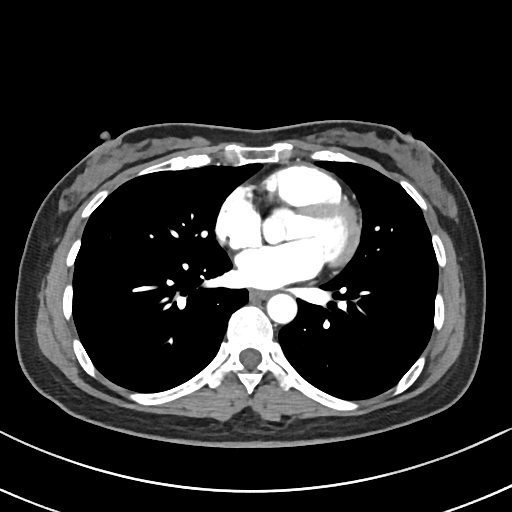
CT of the abdomen reaching into the lower chest, slice just above the liver and spleen; axial view
The heart and lungs are never labeled in this dataset, so they have no box on this slice.
One row per box, in pixels: columns x1 and y1 give the top-left corner, x2 and y2 the bottom-right.
| organ | x1 | y1 | x2 | y2 |
|---|---|---|---|---|
| aorta | 266 | 293 | 296 | 323 |
| esophagus | 250 | 290 | 268 | 299 |